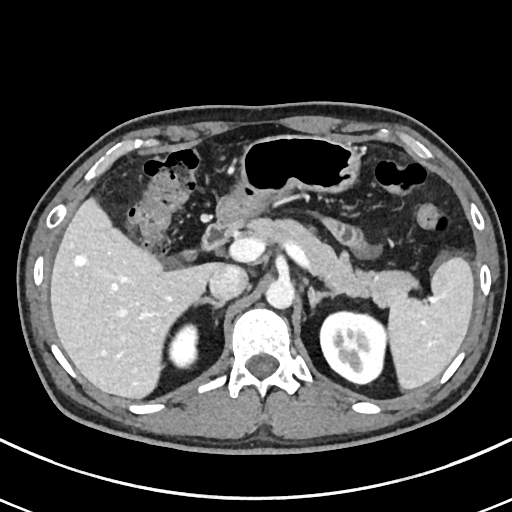

Abdominal CT — axial view
{"organs":{"right adrenal gland":[196,297,225,308],"pancreas":[245,217,416,308],"spleen":[388,257,473,389],"right kidney":[169,323,198,368],"gall bladder":[182,250,196,259],"left adrenal gland":[308,286,334,307],"inferior vena cava":[208,265,247,300],"stomach":[218,135,360,222],"aorta":[266,279,294,308],"liver":[50,198,219,398],"left kidney":[320,311,386,383],"duodenum":[201,216,240,250]}}